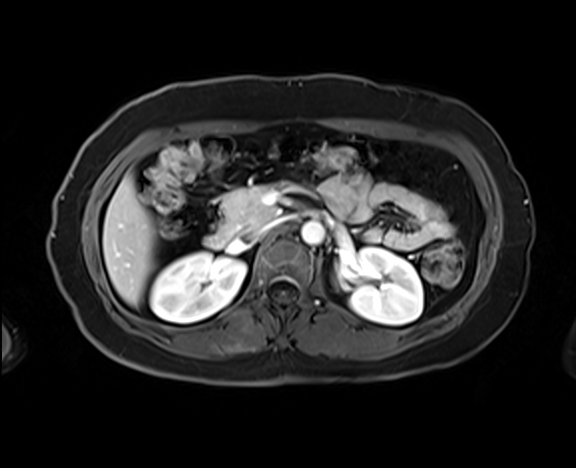
Magnetic resonance imaging, abdomen · axial plane, index 18 · percentile-normalized · 576x468 px
<organs><organ name="right kidney" x1="150" y1="252" x2="245" y2="322"/><organ name="left kidney" x1="350" y1="247" x2="422" y2="325"/><organ name="liver" x1="102" y1="174" x2="156" y2="305"/><organ name="aorta" x1="301" y1="221" x2="324" y2="244"/><organ name="inferior vena cava" x1="252" y1="220" x2="278" y2="236"/><organ name="pancreas" x1="219" y1="185" x2="280" y2="237"/><organ name="duodenum" x1="204" y1="232" x2="229" y2="248"/></organs>